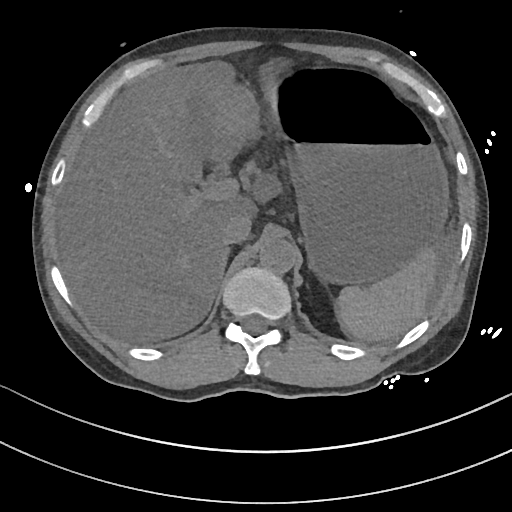

Computed tomography, abdomen. axial view. SOMATOM Force scanner. scan has 15 labeled organs (a whole-scan count: organs this slice does not pass through have no box)
Each box given as x1,y1,x2,y2. 7 labeled organs on this slice — spleen at x1=336, y1=246, x2=439, y2=341; gall bladder at x1=191, y1=98, x2=241, y2=161; liver at x1=56, y1=62, x2=279, y2=342; stomach at x1=265, y1=63, x2=448, y2=282; aorta at x1=259, y1=237, x2=296, y2=272; inferior vena cava at x1=219, y1=214, x2=251, y2=244; right adrenal gland at x1=222, y1=246, x2=232, y2=268.